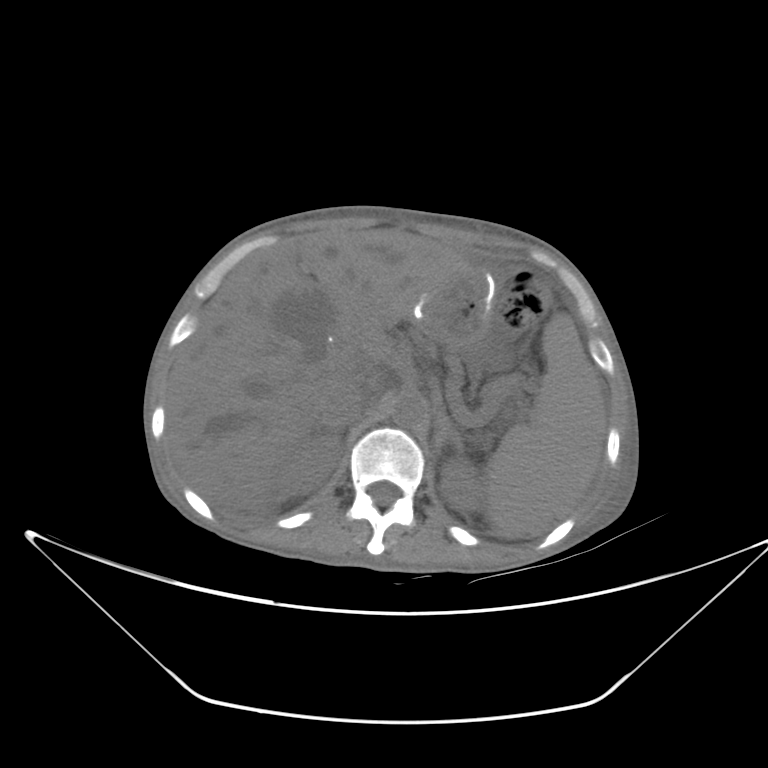

Computed tomography, abdomen — axial view — soft-tissue window (W 400 / L 40) — 56-year-old female patient — Brilliance16 scanner
Each box given as x1,y1,x2,y2.
Organ bounding boxes:
- left adrenal gland: x1=434, y1=416, x2=463, y2=460
- aorta: x1=392, y1=391, x2=428, y2=428
- left kidney: x1=439, y1=459, x2=486, y2=513
- spleen: x1=486, y1=313, x2=605, y2=538
- stomach: x1=414, y1=265, x2=495, y2=352
- right kidney: x1=271, y1=434, x2=340, y2=495
- inferior vena cava: x1=327, y1=382, x2=374, y2=423
- gall bladder: x1=272, y1=293, x2=323, y2=342
- liver: x1=166, y1=229, x2=469, y2=509